Abdominal CT — axial view
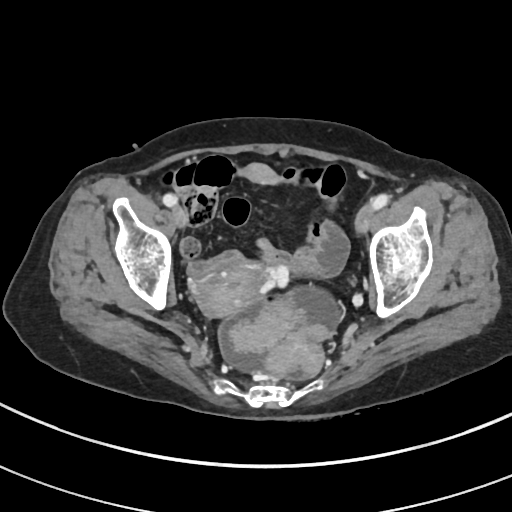
Organ boxes in pixel coordinates; each row gives the top-left (x1, y1) and bottom-right (x2, y2) corners.
| organ | x1 | y1 | x2 | y2 |
|---|---|---|---|---|
| prostate/uterus | 193 | 262 | 262 | 317 |